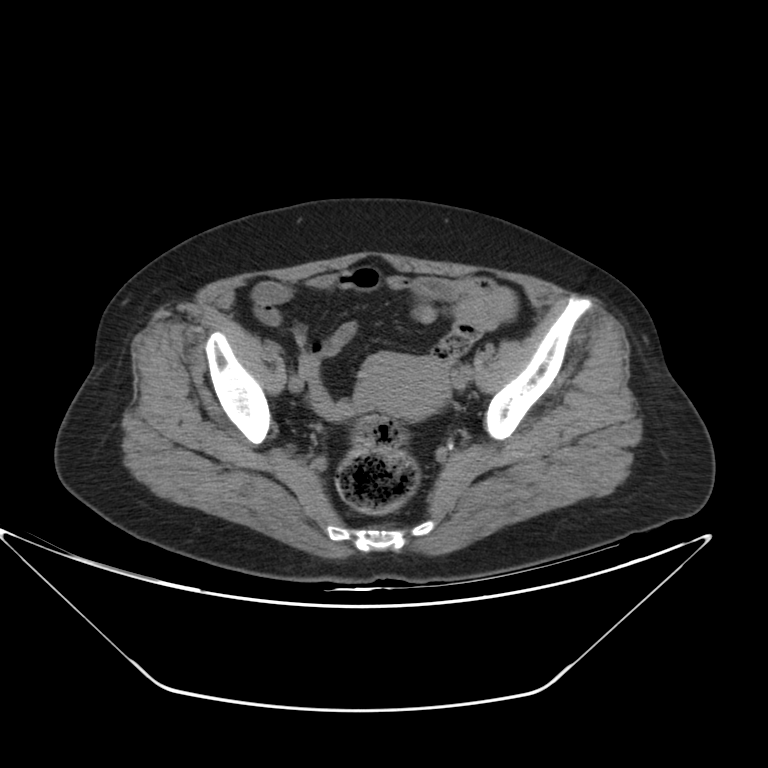 CT abdomen; axial plane, index 24; 15 organs annotated in this scan (a whole-scan count: organs this slice does not pass through have no box)
Boxes: x1 y1 x2 y2 (pixel coords, space-separated).
prostate/uterus: 364 354 448 419